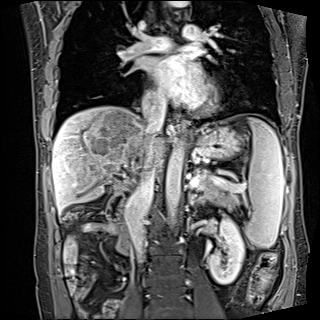

Abdominal MRI — coronal acquisition — 320x320 px
{"organs":{"spleen":[245,117,284,248],"left kidney":[208,218,244,284],"esophagus":[176,115,186,134],"liver":[52,105,164,212],"stomach":[191,126,241,160],"aorta":[[165,143,184,226],[166,1,189,7]],"inferior vena cava":[[127,143,156,261],[142,102,166,137]],"pancreas":[196,170,238,208],"left adrenal gland":[189,192,203,201],"duodenum":[105,191,131,255]}}